Computed tomography, abdomen · Axial slice 48/132
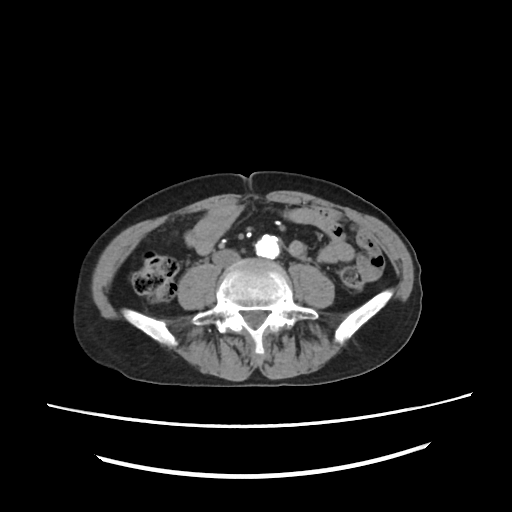

Each box given as x1,y1,x2,y2.
Organ bounding boxes:
- aorta: x1=257, y1=234, x2=279, y2=258
- inferior vena cava: x1=210, y1=249, x2=239, y2=266